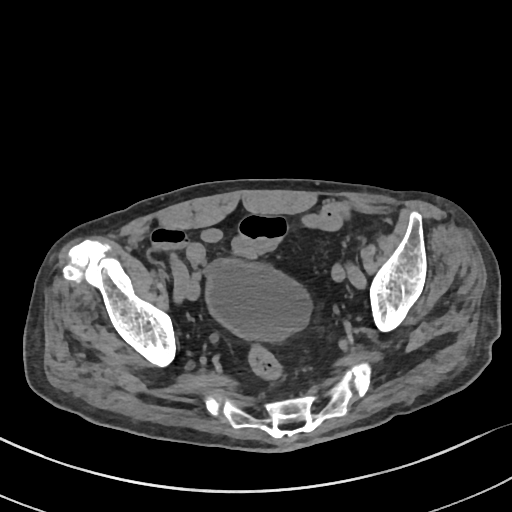

Abdominal CT. Axial slice 47/208. acquired on SOMATOM Force
Boxes are (x1, y1, x2, y2) in pixels. The annotated organs in this slice are: bladder at (206, 259, 311, 341).